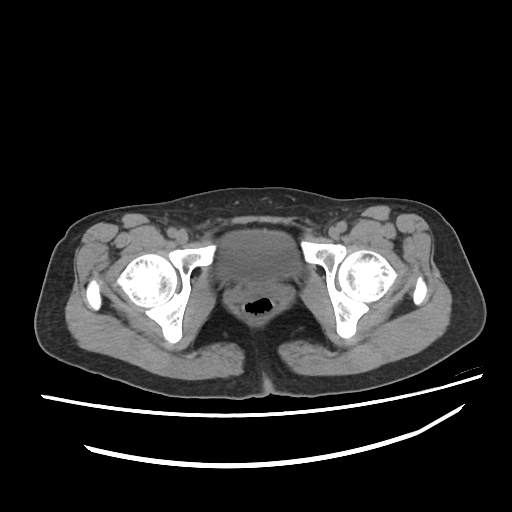

CT abdomen · Axial slice 15/93
<organs><organ name="bladder" x1="216" y1="230" x2="299" y2="282"/></organs>